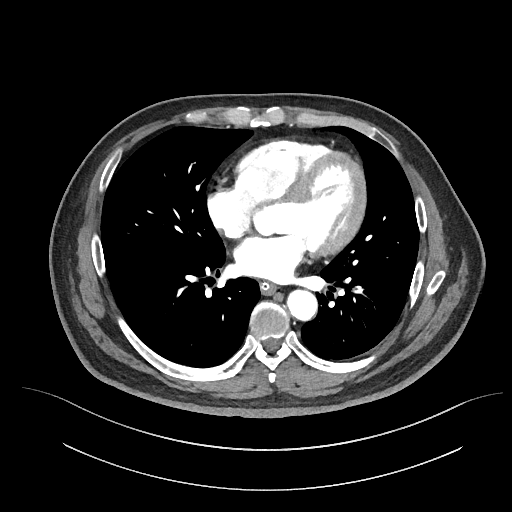 CT of the abdomen reaching into the lower chest, slice just above the liver and spleen — axial view — W/L 400/40 HU
No part of the heart or lungs is labeled in this dataset, so neither has a box here.
<organs><organ name="aorta" x1="287" y1="290" x2="317" y2="320"/><organ name="esophagus" x1="260" y1="282" x2="277" y2="294"/></organs>